CT of the abdomen reaching into the lower chest, slice just above the liver and spleen; axial view; SOMATOM Force scanner; 15 organs annotated in this scan (a whole-scan count: organs this slice does not pass through have no box)
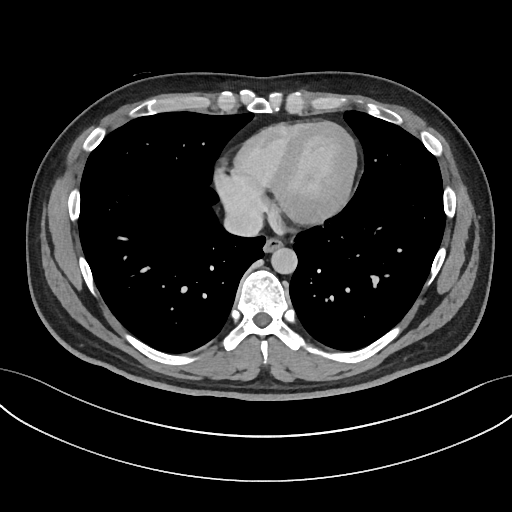 Of the structures in the chest, this dataset labels only the esophagus, the aorta and the inferior vena cava; the heart and lungs have no label.
<organs><organ name="esophagus" x1="263" y1="238" x2="282" y2="252"/><organ name="aorta" x1="271" y1="247" x2="297" y2="273"/><organ name="inferior vena cava" x1="224" y1="208" x2="262" y2="236"/></organs>